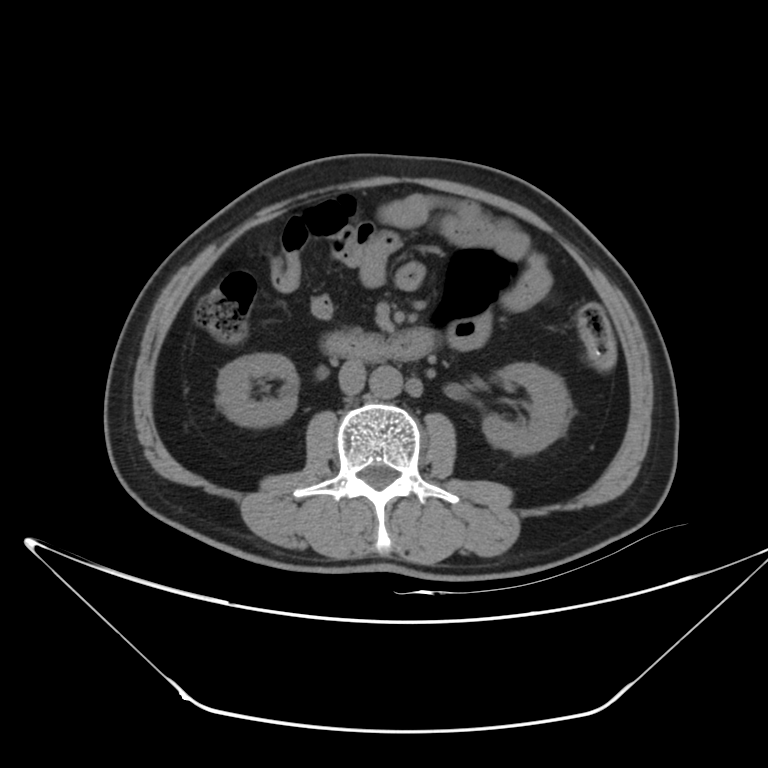 Abdominal CT. axial view. 768x768 px
<organs><organ name="right kidney" x1="217" y1="353" x2="298" y2="427"/><organ name="left kidney" x1="482" y1="363" x2="570" y2="454"/><organ name="aorta" x1="370" y1="366" x2="401" y2="399"/><organ name="inferior vena cava" x1="340" y1="360" x2="363" y2="393"/><organ name="duodenum" x1="322" y1="329" x2="435" y2="362"/></organs>